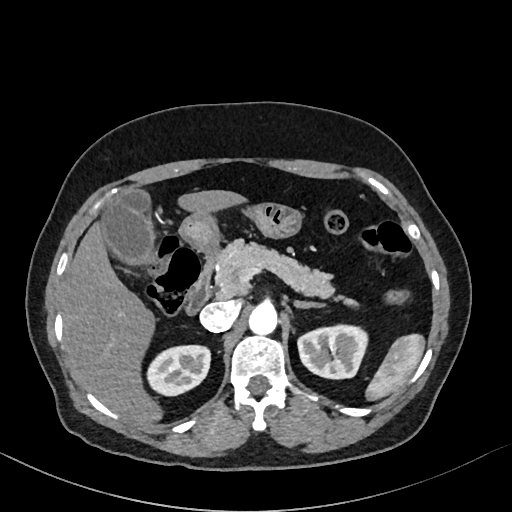

Abdominal CT; axial view; soft-tissue window (W 400 / L 40); SOMATOM Force scanner
{"organs":{"liver":[63,190,243,424],"duodenum":[184,257,214,314],"aorta":[249,302,277,334],"left kidney":[297,324,367,378],"stomach":[180,202,300,252],"spleen":[366,334,424,399],"left adrenal gland":[295,300,325,307],"pancreas":[214,238,335,298],"gall bladder":[103,191,151,260],"right kidney":[148,345,210,396],"inferior vena cava":[200,301,239,330]}}